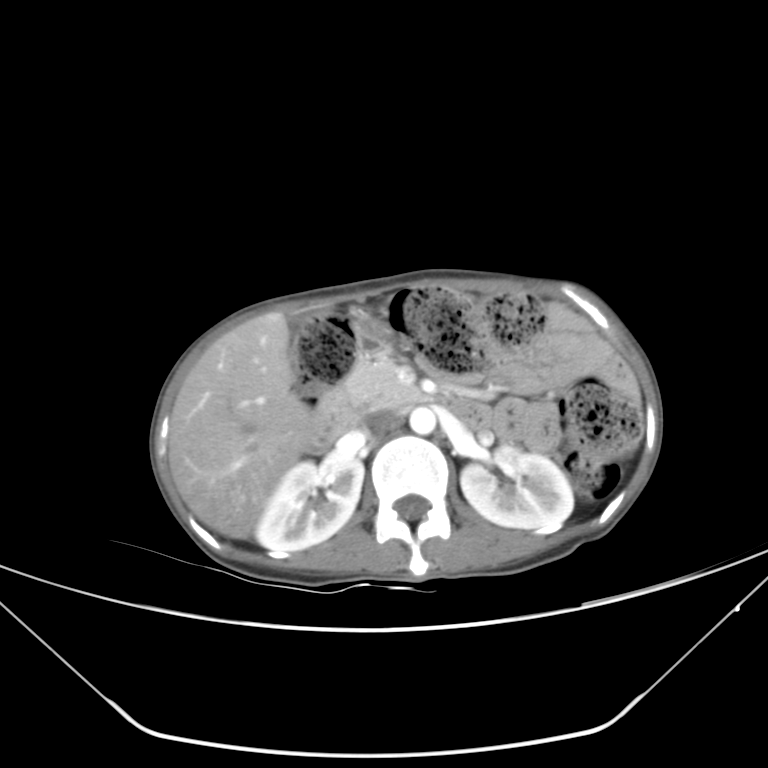 Computed tomography, abdomen · axial view · soft-tissue window (W 400 / L 40) · acquired on Brilliance16
Boxes: x1 y1 x2 y2 (pixel coords, space-separated). 9 labeled organs on this slice — pancreas at 336 352 423 413; left kidney at 460 446 573 531; liver at 169 312 316 538; aorta at 409 407 436 434; duodenum at 311 388 490 450; inferior vena cava at 360 408 401 432; stomach at 354 316 388 350; gall bladder at 291 305 331 321; right kidney at 255 451 364 550.